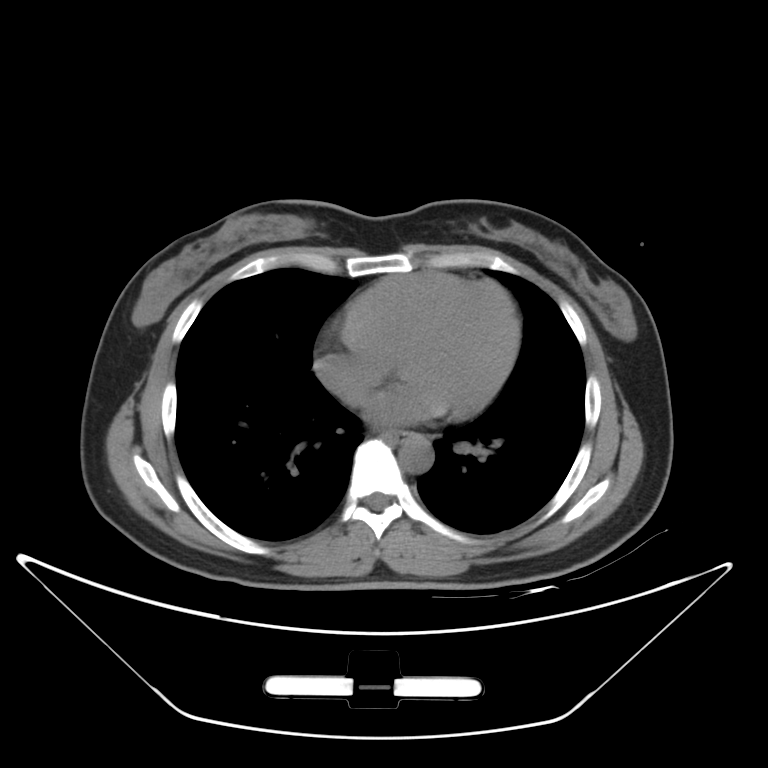
Lower-chest slice from an abdominal CT, just above the liver and spleen — Axial slice 98/105 — 768x768 px — 15 organs annotated in this scan (a whole-scan count: organs this slice does not pass through have no box)
No part of the heart or lungs is labeled in this dataset, so neither has a box here.
Boxes are (x1, y1, x2, y2) in pixels.
esophagus: (381, 431, 403, 439)
aorta: (399, 434, 433, 473)